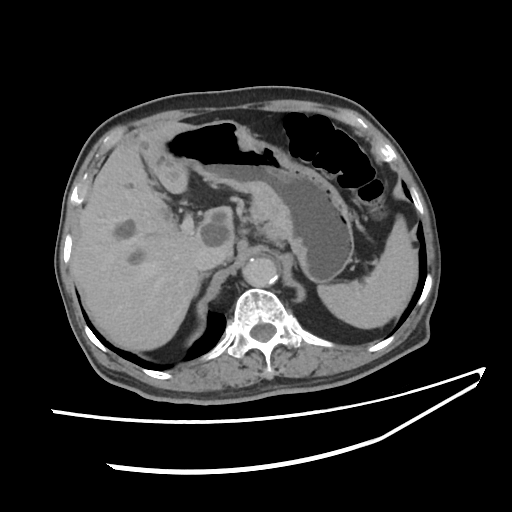 Abdominal CT · axial view · W/L 400/40 HU
Coordinates as <box>x1,y1,x2,y2</box> in pixels.
Organ bounding boxes:
- spleen: <box>318,215,415,327</box>
- liver: <box>71,119,231,350</box>
- stomach: <box>165,119,353,285</box>
- aorta: <box>243,257,279,287</box>
- inferior vena cava: <box>195,245,231,270</box>
- right adrenal gland: <box>197,273,210,293</box>